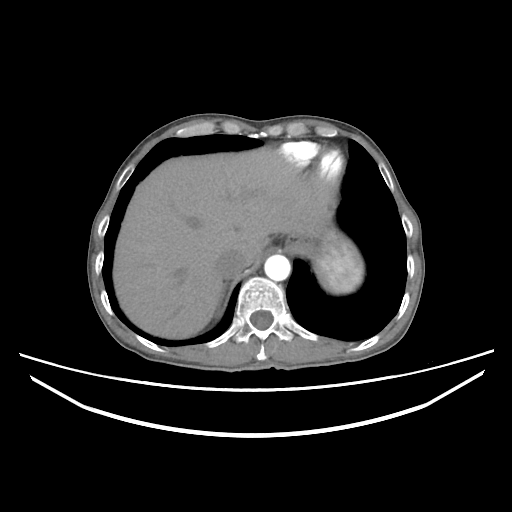 CT abdomen. axial view. soft-tissue window. 512x512 px
Box edges are left/top/right/bottom in pixels. The annotated organs in this slice are: spleen at left=315, top=237, right=363, bottom=293, liver at left=113, top=147, right=339, bottom=338, aorta at left=264, top=255, right=290, bottom=281, inferior vena cava at left=216, top=250, right=247, bottom=278, right adrenal gland at left=221, top=285, right=226, bottom=299.